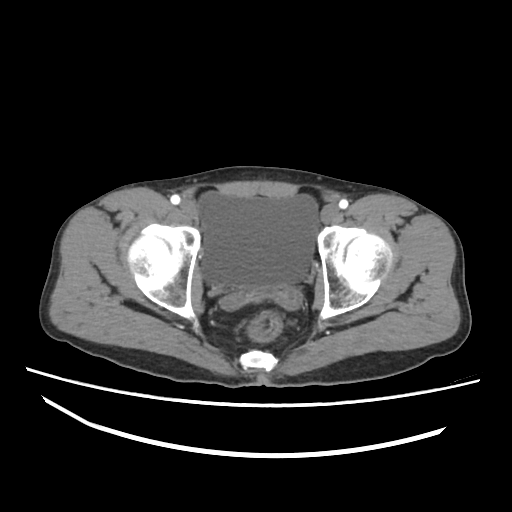 Abdominal CT; Axial slice 25/140; soft-tissue window (W 400 / L 40); 40-year-old male patient; scan has 15 labeled organs (a whole-scan count: organs this slice does not pass through have no box)
Boxes: x1 y1 x2 y2 (pixel coords, space-separated).
Organ bounding boxes:
- bladder: 199 191 318 287